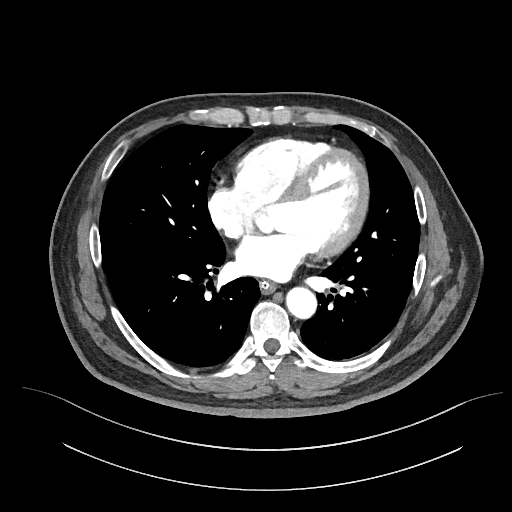

CT of the abdomen reaching into the lower chest, slice just above the liver and spleen. axial view. soft-tissue window, W/L 400/40
The heart and lungs are never labeled in this dataset, so they have no box on this slice. Boxes: x1 y1 x2 y2 (pixel coords, space-separated). Labeled organs on this slice: esophagus at 260 281 276 293, aorta at 286 287 316 318.